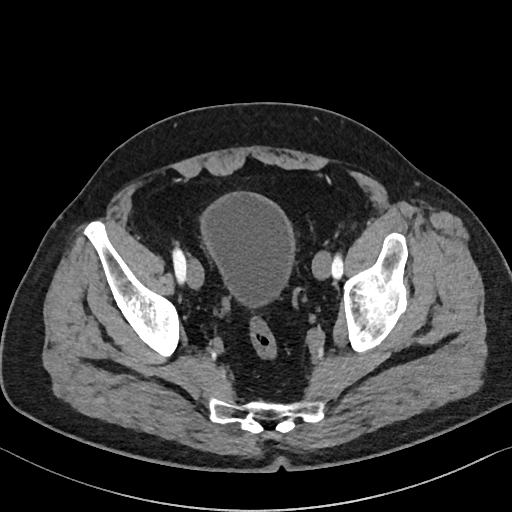
CT, abdomen/pelvis · Axial slice 44/245 · scan has 15 labeled organs (a whole-scan count: organs this slice does not pass through have no box)
Each box given as x1,y1,x2,y2. Labeled organs on this slice: bladder at x1=201, y1=193, x2=294, y2=305.